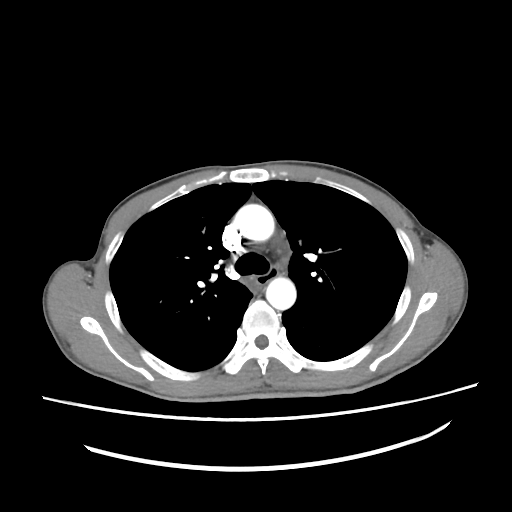
Chest-level slice from an abdominal CT that extends up into the chest. axial view. W/L 400/40 HU. 50-year-old male patient
At this level of the chest no structure but the esophagus and the aorta has a label in this dataset, and those two are boxed only where they are labeled.
Bounding boxes in pixels, one row per box: x1, y1 is the top-left corner and x2, y2 the bottom-right.
| organ | x1 | y1 | x2 | y2 |
|---|---|---|---|---|
| esophagus | 254 | 266 | 278 | 284 |
| aorta | 235 | 204 | 274 | 241 |
| aorta | 266 | 277 | 296 | 310 |